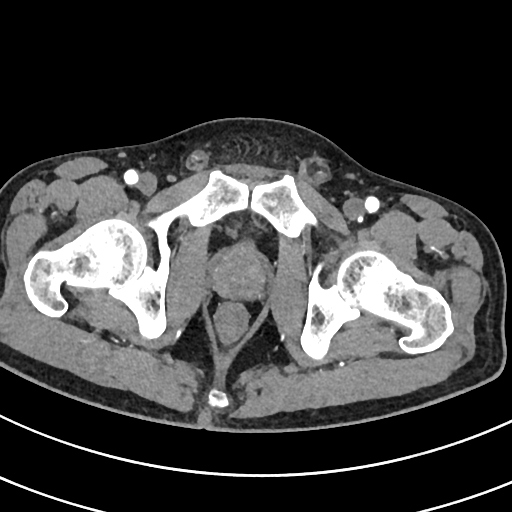

CT abdomen · axial view · 512x512 px
<organs><organ name="prostate/uterus" x1="213" y1="246" x2="265" y2="298"/></organs>